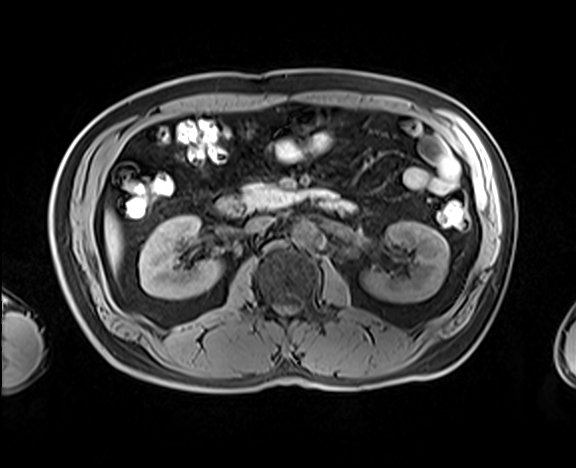

MRI, abdomen; Axial slice 21/72; percentile-normalized; Prisma scanner
Boxes: x1:y1:x2:y2 in pixels.
Organ bounding boxes:
- right kidney: 139:215:221:298
- left kidney: 363:221:449:302
- liver: 104:212:121:270
- aorta: 291:221:320:246
- inferior vena cava: 245:216:274:232
- pancreas: 243:183:332:209
- duodenum: 217:197:355:217